Abdominal CT · axial view · 512x512 px · SOMATOM Force scanner · scan has 15 labeled organs (a whole-scan count: organs this slice does not pass through have no box)
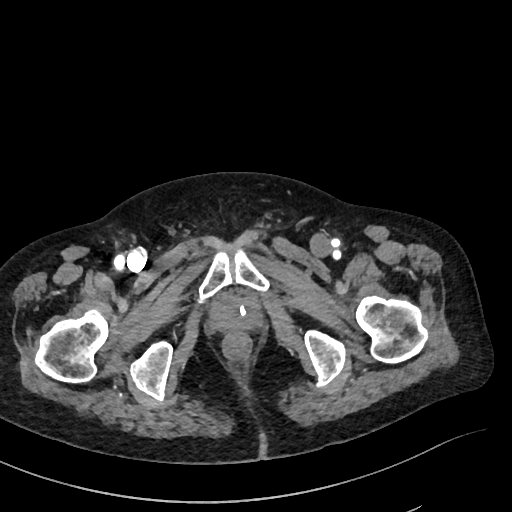

Bounding boxes in pixels, one row per box: x1, y1 is the top-left corner and x2, y2 the bottom-right.
| organ | x1 | y1 | x2 | y2 |
|---|---|---|---|---|
| prostate/uterus | 209 | 295 | 261 | 331 |